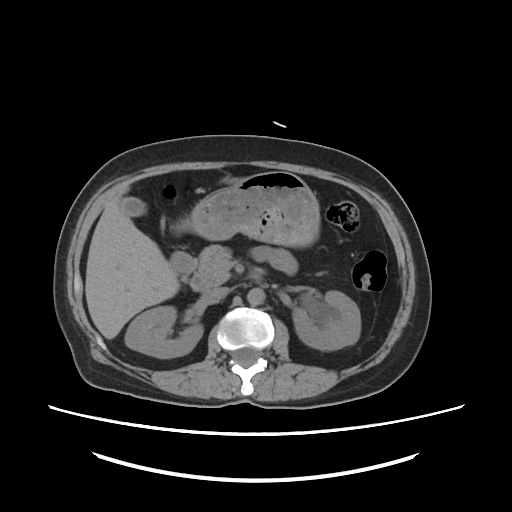

CT, abdomen/pelvis. Axial slice 63/85. soft-tissue window (W 400 / L 40). 512x512 px
{"organs":{"right kidney":[124,306,204,358],"left kidney":[293,292,360,349],"gall bladder":[119,197,146,218],"liver":[85,183,178,339],"stomach":[181,171,319,247],"aorta":[247,288,266,305],"inferior vena cava":[202,286,226,303],"pancreas":[191,245,233,289],"duodenum":[171,253,196,276]}}